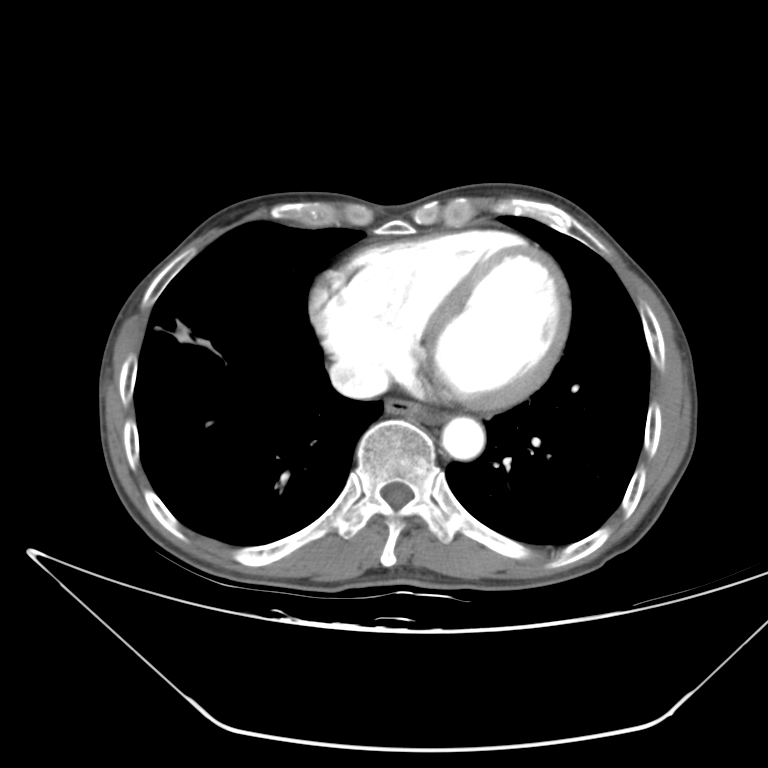
Lower-chest slice from an abdominal CT, just above the liver and spleen — axial view — soft-tissue window, W/L 400/40 — 768x768 px — scan has 13 labeled organs (a whole-scan count: organs this slice does not pass through have no box)
The heart and lungs are never labeled in this dataset, so they have no box on this slice.
{"organs":{"esophagus":[385,398,444,422],"aorta":[441,416,484,459],"inferior vena cava":[329,360,388,398]}}